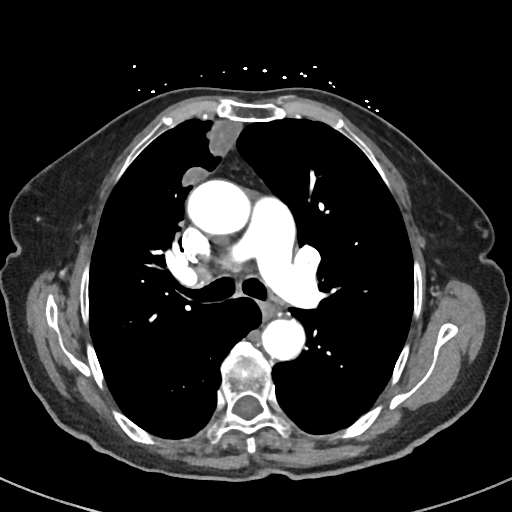
Chest-level slice from an abdominal CT that extends up into the chest · axial plane, index 225 · soft-tissue window, W/L 400/40 · 512x512 px · SOMATOM Force scanner
At this level of the chest no structure but the esophagus and the aorta has a label in this dataset, and those two are boxed only where they are labeled.
Boxes are (x1, y1, x2, y2) in pixels.
esophagus: (261, 301, 276, 316)
aorta: (187, 179, 249, 235)
aorta: (261, 319, 304, 360)